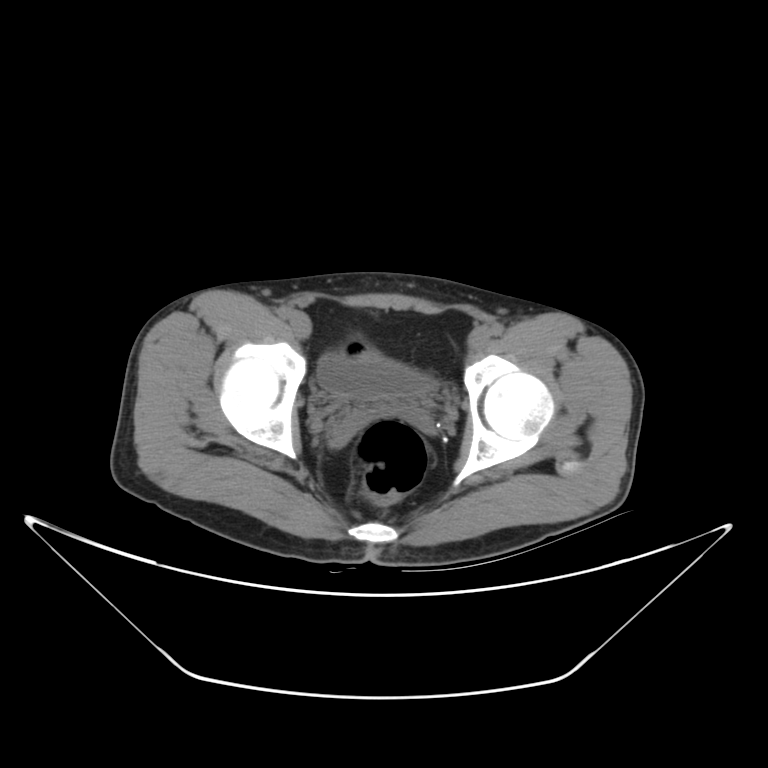

CT, abdomen/pelvis. axial view. abdomen soft-tissue window
Coordinates as <box>x1,y1,x2,y2</box> in pixels.
bladder: <box>311,352,429,398</box>